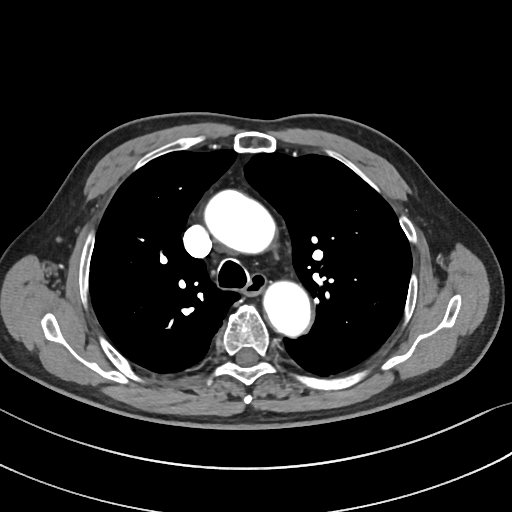
Chest-level slice from an abdominal CT that extends up into the chest — axial view
At this level of the chest this dataset labels only the esophagus and the aorta, and each is boxed only where it is labeled; the heart and lungs are never labeled.
<organs><organ name="aorta" x1="202" y1="190" x2="273" y2="252"/><organ name="aorta" x1="265" y1="282" x2="311" y2="337"/><organ name="esophagus" x1="246" y1="275" x2="266" y2="294"/></organs>